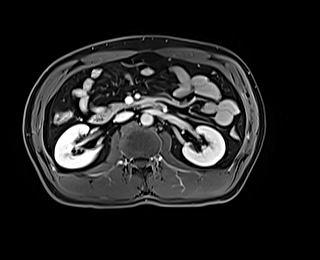 Abdominal MRI · Axial slice 4/72 · 1st–99th percentile window · 320x260 px
Boxes: x1:y1:x2:y2 in pixels.
Organ bounding boxes:
- right kidney: 54:124:97:168
- left kidney: 182:125:225:166
- aorta: 141:113:153:126
- inferior vena cava: 115:111:132:121
- pancreas: 106:103:126:111
- duodenum: 90:100:160:123